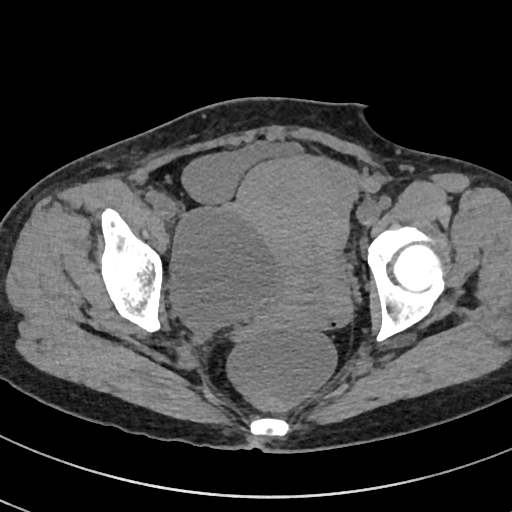
CT, abdomen/pelvis — axial plane, index 35 — 512x512 px
<organs><organ name="bladder" x1="182" y1="141" x2="302" y2="200"/><organ name="prostate/uterus" x1="234" y1="155" x2="349" y2="341"/></organs>